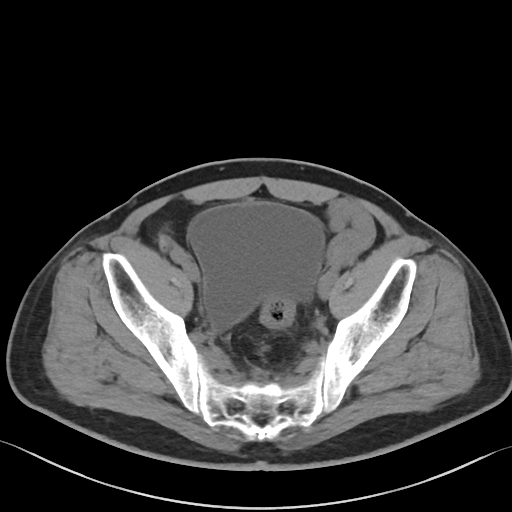
Abdominal CT — axial view — W/L 400/40 HU
{"organs":{"bladder":[188,201,324,327]}}